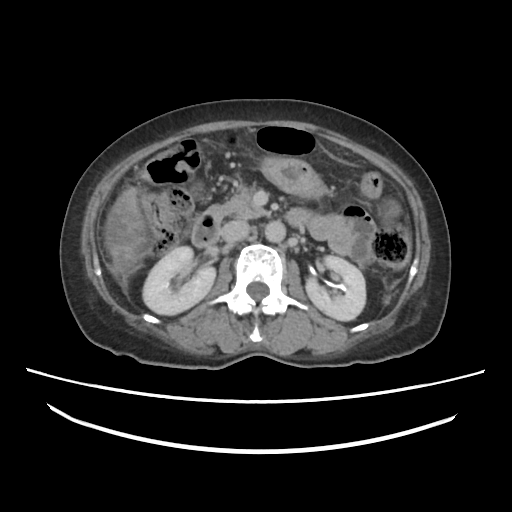 Computed tomography, abdomen · axial view · Aquilion ONE scanner
Each box given as x1,y1,x2,y2.
right kidney: x1=141, y1=246, x2=215, y2=314
stomach: x1=260, y1=156, x2=323, y2=195
inferior vena cava: x1=220, y1=219, x2=250, y2=241
left kidney: x1=306, y1=255, x2=365, y2=320
aorta: x1=264, y1=219, x2=286, y2=241
pancreas: x1=224, y1=186, x2=265, y2=218
duodenum: x1=191, y1=203, x2=224, y2=246
liver: x1=103, y1=186, x2=151, y2=273